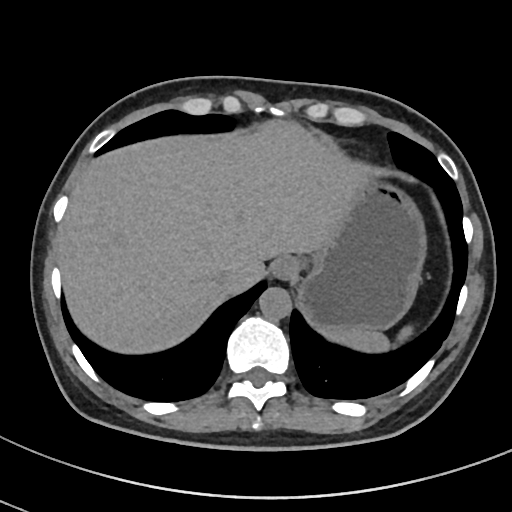
Computed tomography, abdomen; axial view; soft-tissue window (W 400 / L 40); 512x512 px; 15 organs annotated in this scan (that count is for the whole scan; organs this slice misses have no box)
Boxes are (x1, y1, x2, y2) in pixels.
Organ bounding boxes:
- stomach: (297, 177, 426, 330)
- esophagus: (271, 256, 300, 279)
- spleen: (323, 326, 412, 352)
- aorta: (259, 287, 291, 320)
- liver: (55, 120, 365, 353)
- inferior vena cava: (213, 266, 231, 288)